Abdominal CT. Axial slice 11/93. W/L 400/40 HU. scan has 15 labeled organs (that count is for the whole scan; organs this slice misses have no box)
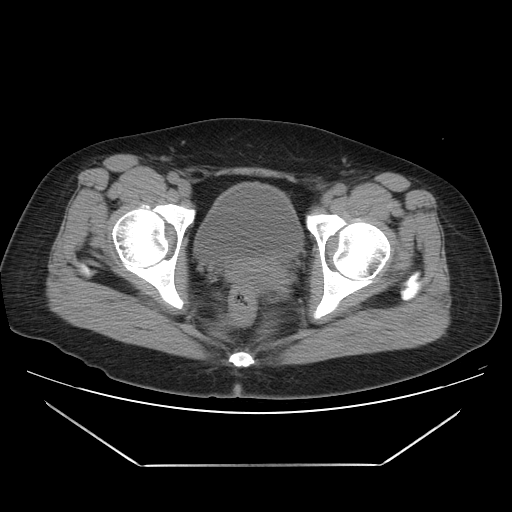 Bounding boxes as [x1, y1, x2, y2] in pixel coordinates.
bladder: [194, 183, 302, 261]
prostate/uterus: [225, 261, 284, 286]